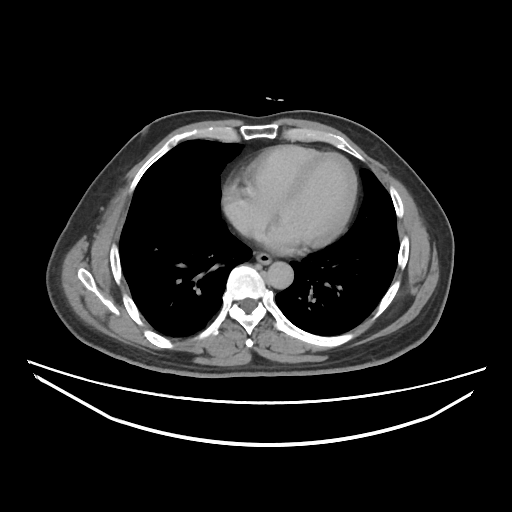
Abdominal CT; this slice is in the lower chest, just above the liver; Axial slice 114/115; 512x512 px
Of the structures in the chest, this dataset labels only the esophagus, the aorta and the inferior vena cava; the heart and lungs have no label.
Coordinates as <box>x1,y1,x2,y2</box> in pixels.
esophagus: <box>257,253,272,264</box>
aorta: <box>268,261,293,288</box>
inferior vena cava: <box>242,224,262,236</box>